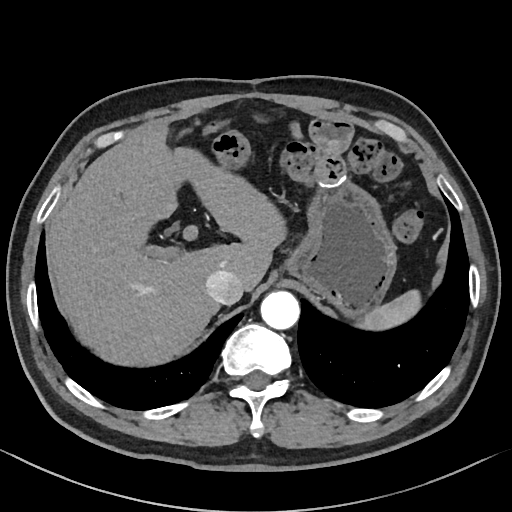
Computed tomography, abdomen · Axial slice 176/245 · soft-tissue window
{"organs":{"spleen":[361,291,422,330],"liver":[48,121,286,365],"stomach":[284,175,396,315],"aorta":[260,291,299,329],"inferior vena cava":[205,268,243,304]}}